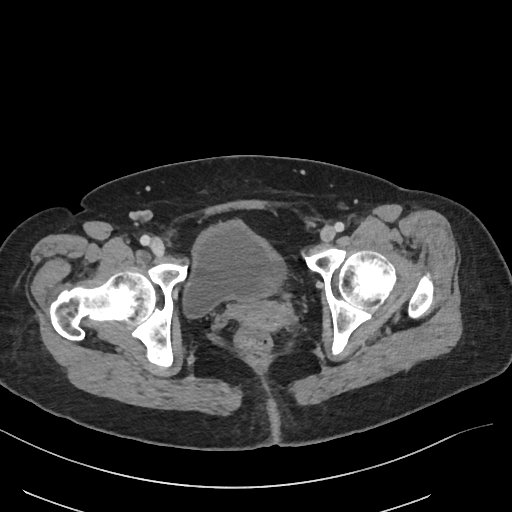

Computed tomography, abdomen. axial view. 512x512 px
Each box given as x1,y1,x2,y2. Labeled organs on this slice: bladder at x1=182, y1=220, x2=285, y2=318, prostate/uterus at x1=238, y1=303, x2=290, y2=333.